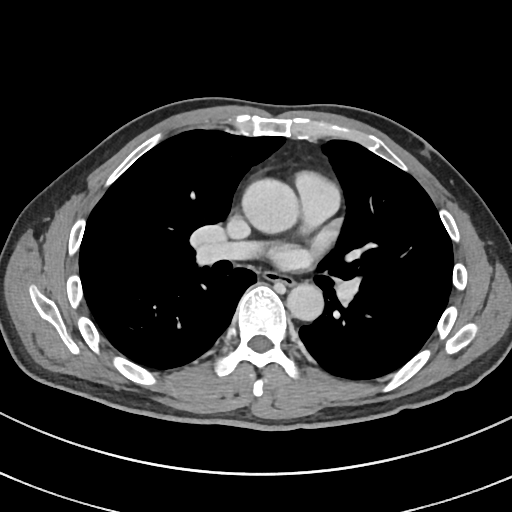
Abdominal CT reaching into the chest; this slice is in the chest. axial view
At this level of the chest no structure but the esophagus and the aorta has a label in this dataset, and those two are boxed only where they are labeled.
{"organs":{"esophagus":[265,272,294,286],"aorta":[[241,177,297,232],[286,284,323,321]]}}